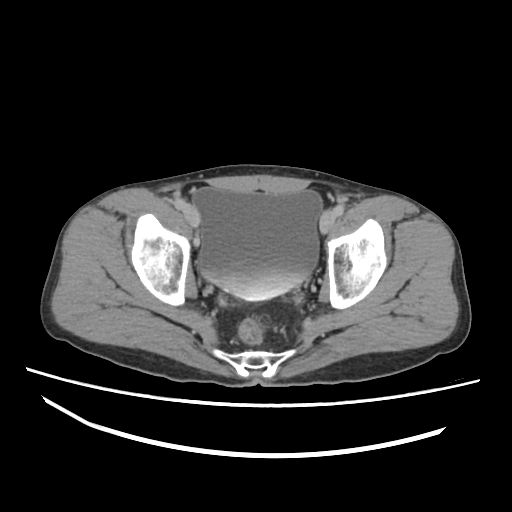
Computed tomography, abdomen · axial plane, index 27 · 512x512 px
Organ boxes in pixel coordinates; each row gives the top-left (x1, y1) and bottom-right (x2, y2) corners.
| organ | x1 | y1 | x2 | y2 |
|---|---|---|---|---|
| bladder | 192 | 186 | 322 | 299 |